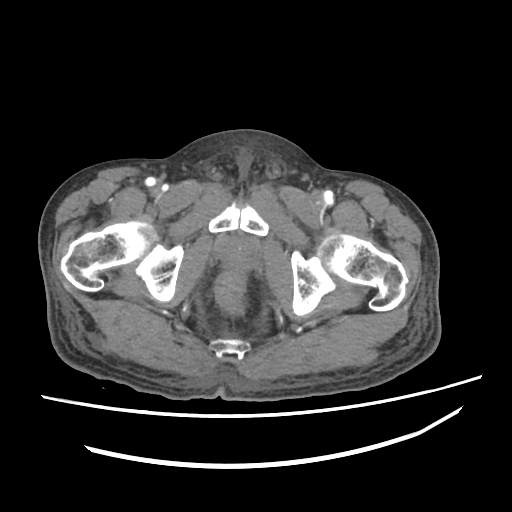 CT, abdomen/pelvis; axial plane, index 20
<organs><organ name="prostate/uterus" x1="220" y1="237" x2="255" y2="266"/></organs>